Chest-level CT slice, above the liver and spleen; axial plane, index 105; soft-tissue window, W/L 400/40; 52-year-old male patient; acquired on Aquilion ONE
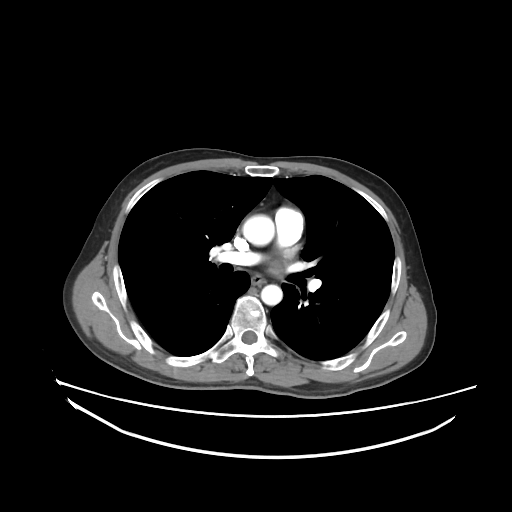 At this level of the chest this dataset labels only the esophagus and the aorta, and each is boxed only where it is labeled; the heart and lungs are never labeled.
<organs><organ name="esophagus" x1="252" y1="277" x2="263" y2="284"/><organ name="aorta" x1="242" y1="214" x2="274" y2="246"/><organ name="aorta" x1="261" y1="284" x2="282" y2="305"/></organs>